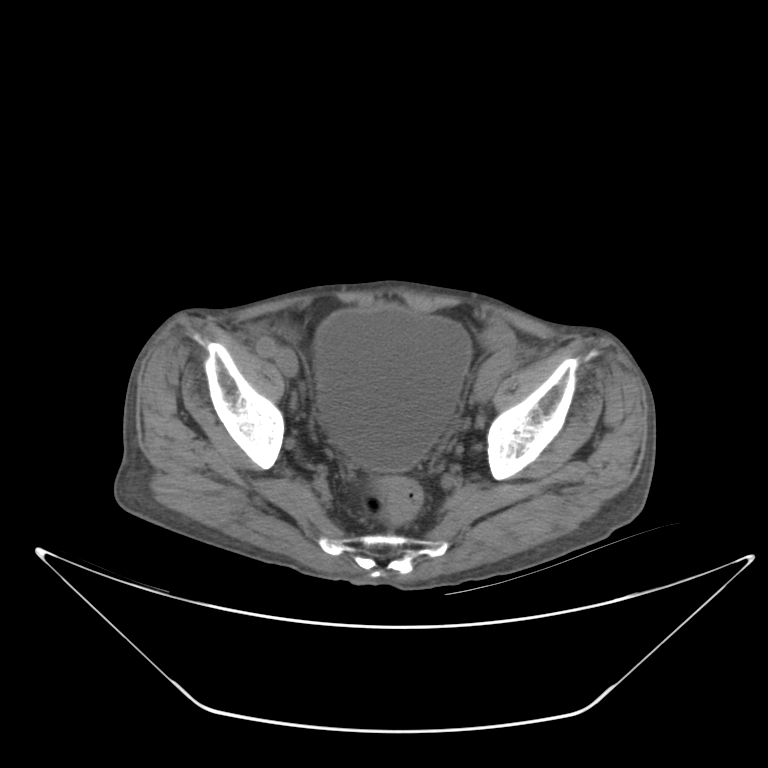

Abdominal CT. axial plane, index 26. 13 organs annotated in this scan (a whole-scan count: organs this slice does not pass through have no box)
<organs><organ name="bladder" x1="313" y1="306" x2="467" y2="471"/></organs>